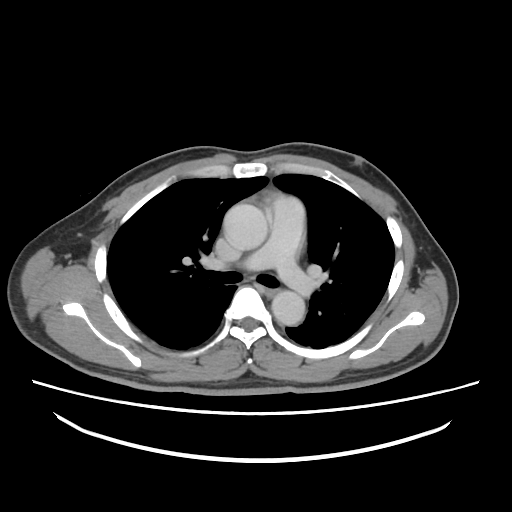

CT of the abdomen extending into the chest, slice through the chest; axial plane, index 111; W/L 400/40 HU; scan has 15 labeled organs (counted over the whole 3D scan, not this slice; an organ is boxed only where this slice passes through it)
At this level of the chest this dataset labels only the esophagus and the aorta, and each is boxed only where it is labeled; the heart and lungs are never labeled. Boxes: x1:y1:x2:y2 in pixels. 2 labeled organs on this slice — aorta at 223:203:267:250; aorta at 271:290:305:325; esophagus at 266:288:278:298.